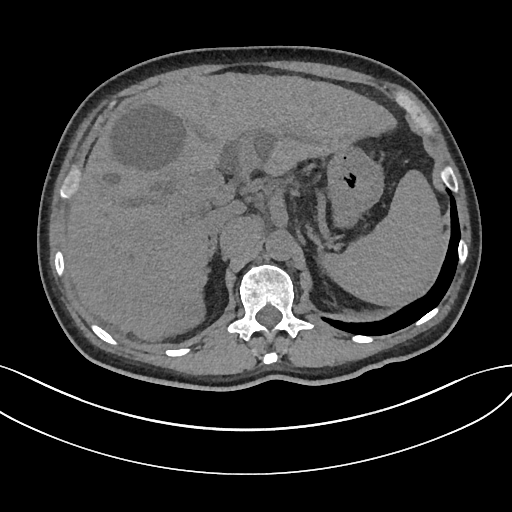

CT, abdomen/pelvis. axial view. 512x512 px
Box edges are left/top/right/bottom in pixels.
spleen: left=321, top=171, right=446, bottom=306
liver: left=65, top=73, right=399, bottom=341
stomach: left=327, top=147, right=384, bottom=226
aorta: left=266, top=231, right=294, bottom=261
inferior vena cava: left=203, top=206, right=233, bottom=237
right adrenal gland: left=209, top=238, right=216, bottom=259
left adrenal gland: left=307, top=227, right=320, bottom=246